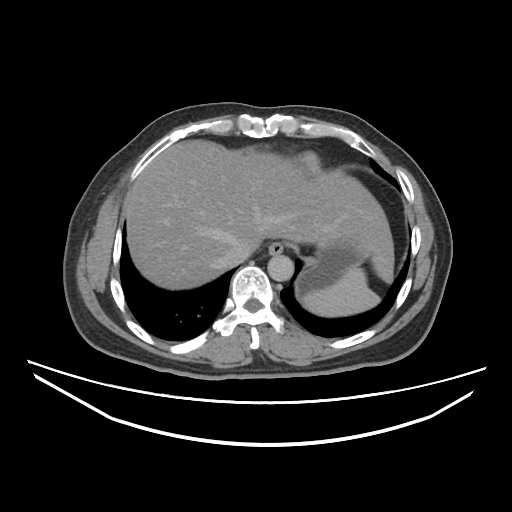

Computed tomography, abdomen · axial view · abdomen soft-tissue window · 55-year-old male patient · scan has 15 labeled organs (counted over the whole 3D scan, not this slice; an organ is boxed only where this slice passes through it)
{"organs":{"spleen":[297,268,381,317],"esophagus":[268,242,282,254],"liver":[125,140,392,290],"stomach":[297,237,363,291],"aorta":[267,253,293,282],"inferior vena cava":[212,240,251,267]}}